Abdominal CT; this slice is in the lower chest, just above the liver · axial view · soft-tissue window (W 400 / L 40) · 768x768 px · acquired on Brilliance16 · 15 organs annotated in this scan (that count is for the whole scan; organs this slice misses have no box)
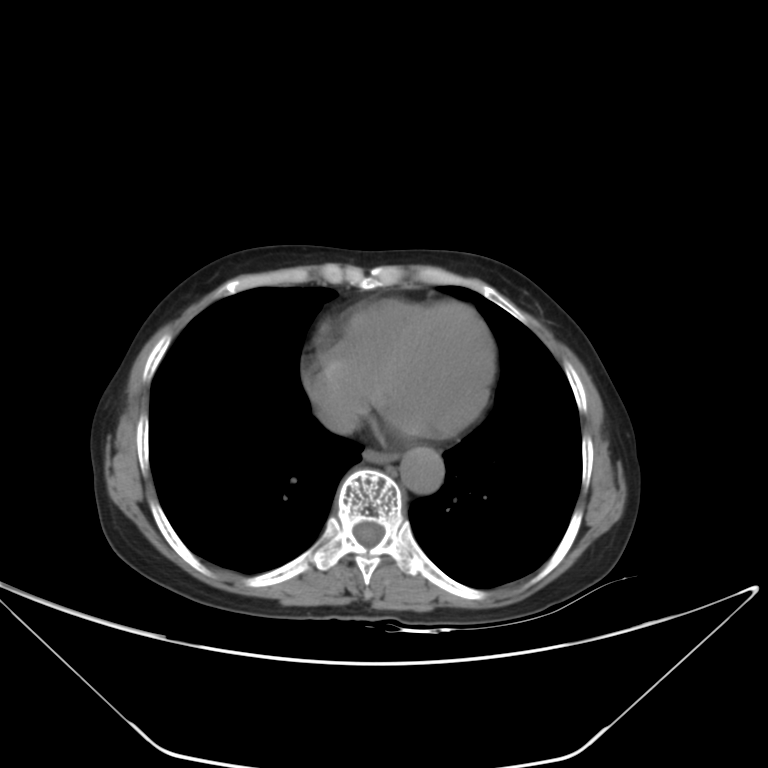
No part of the heart or lungs is labeled in this dataset, so neither has a box here.
{"organs":{"esophagus":[363,449,395,461],"aorta":[399,447,443,493],"inferior vena cava":[316,395,359,433]}}